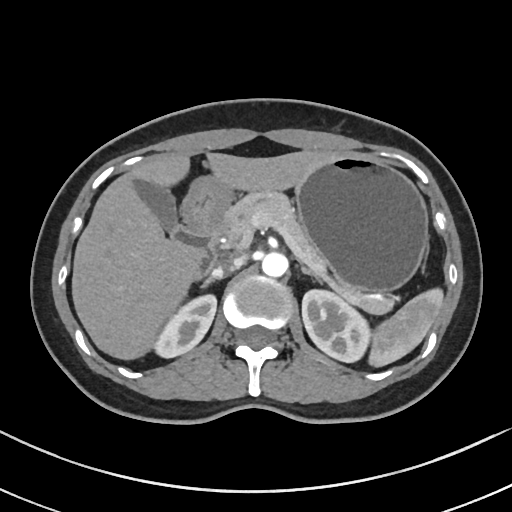
Computed tomography, abdomen — axial view — 512x512 px
{"organs":{"spleen":[370,289,442,365],"right kidney":[155,295,216,358],"left kidney":[302,288,368,361],"gall bladder":[134,180,176,230],"liver":[72,149,338,358],"stomach":[182,154,427,290],"aorta":[261,252,288,276],"inferior vena cava":[211,256,242,277],"pancreas":[223,188,394,311],"right adrenal gland":[197,276,212,285],"left adrenal gland":[302,266,321,281],"duodenum":[171,213,225,280]}}